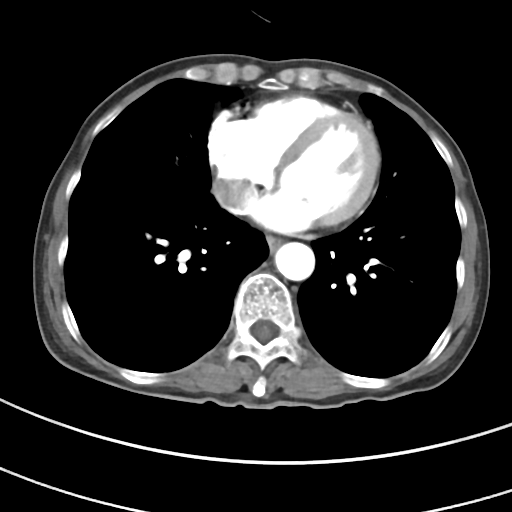
Abdominal CT; this slice is in the lower chest, just above the liver. Axial slice 82/118. soft-tissue window. acquired on SOMATOM Force. 15 organs annotated in this scan (a whole-scan count: organs this slice does not pass through have no box)
The heart and lungs are never labeled in this dataset, so they have no box on this slice.
One row per box, in pixels: columns x1 and y1 give the top-left corner, x2 and y2 the bottom-right.
| organ | x1 | y1 | x2 | y2 |
|---|---|---|---|---|
| esophagus | 267 | 237 | 280 | 250 |
| aorta | 275 | 242 | 315 | 280 |
| inferior vena cava | 213 | 181 | 239 | 205 |